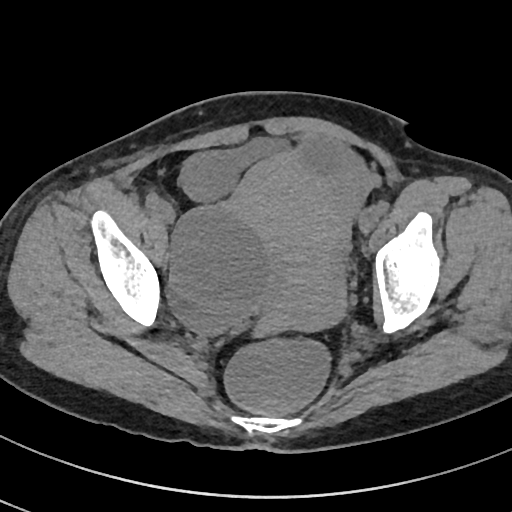

CT abdomen — axial view — abdomen soft-tissue window — 512x512 px
Each box given as x1,y1,x2,y2.
Organ bounding boxes:
- prostate/uterus: x1=229, y1=153, x2=349, y2=336
- bladder: x1=183, y1=136, x2=283, y2=202